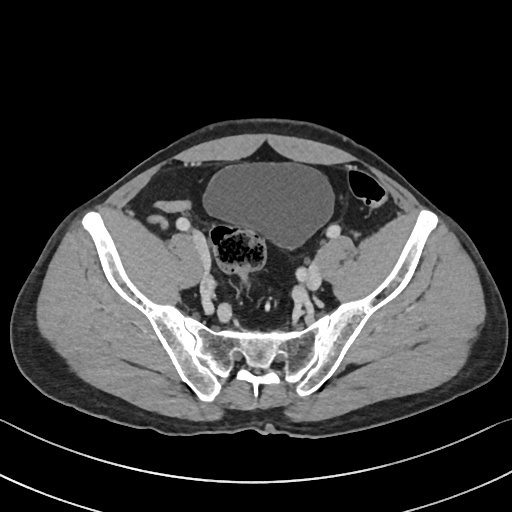
CT, abdomen/pelvis. axial view
Boxes: x1 y1 x2 y2 (pixel coords, space-separated). The annotated organs in this slice are: bladder at 202 164 334 250.